CT, abdomen/pelvis. axial view. 61-year-old female patient
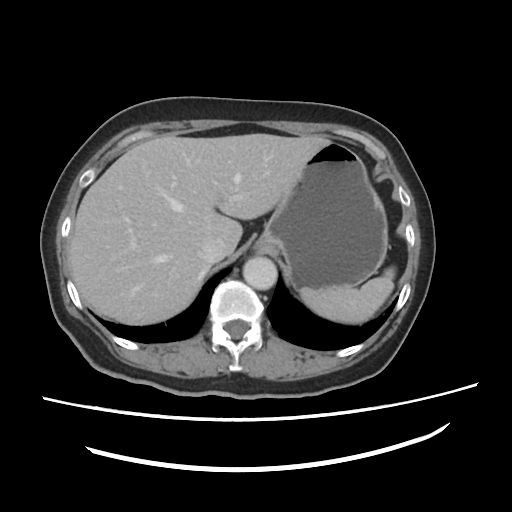 <organs><organ name="liver" x1="69" y1="135" x2="332" y2="323"/><organ name="stomach" x1="257" y1="144" x2="388" y2="290"/><organ name="aorta" x1="243" y1="257" x2="277" y2="289"/><organ name="spleen" x1="301" y1="265" x2="396" y2="322"/><organ name="inferior vena cava" x1="195" y1="238" x2="223" y2="264"/></organs>